Magnetic resonance imaging, abdomen · axial view · percentile-normalized · 576x468 px · acquired on Prisma
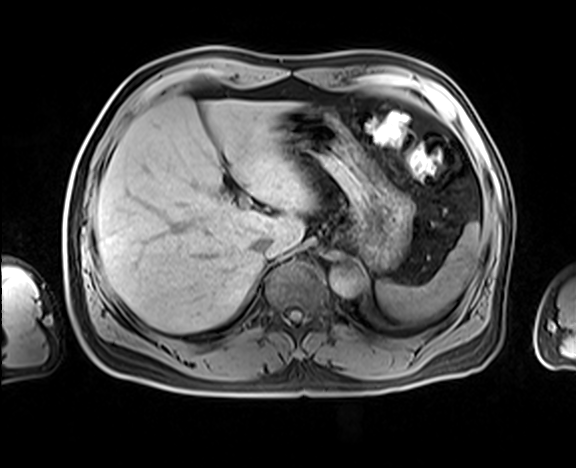 <organs><organ name="spleen" x1="376" y1="223" x2="480" y2="323"/><organ name="liver" x1="95" y1="97" x2="315" y2="333"/><organ name="stomach" x1="279" y1="108" x2="413" y2="269"/><organ name="aorta" x1="330" y1="267" x2="362" y2="296"/><organ name="inferior vena cava" x1="252" y1="236" x2="271" y2="254"/></organs>